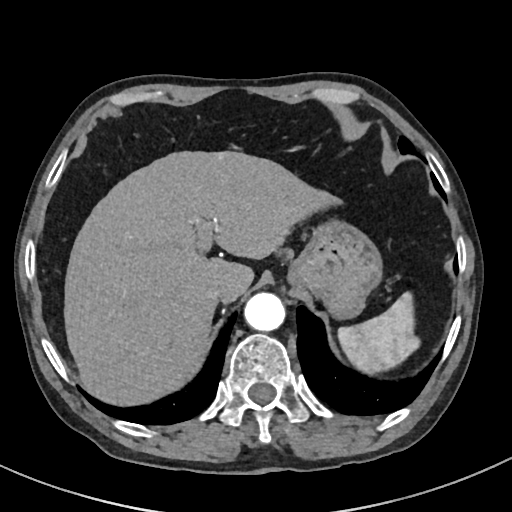
CT abdomen. axial view. soft-tissue window (W 400 / L 40). 512x512 px. acquired on SOMATOM Force
Each box given as x1,y1,x2,y2.
spleen: x1=337, y1=293, x2=418, y2=373
liver: x1=64, y1=152, x2=344, y2=403
stomach: x1=286, y1=224, x2=380, y2=316
aorta: x1=243, y1=292, x2=284, y2=331
inferior vena cava: x1=208, y1=281, x2=226, y2=300